Abdominal CT — axial view — 768x768 px
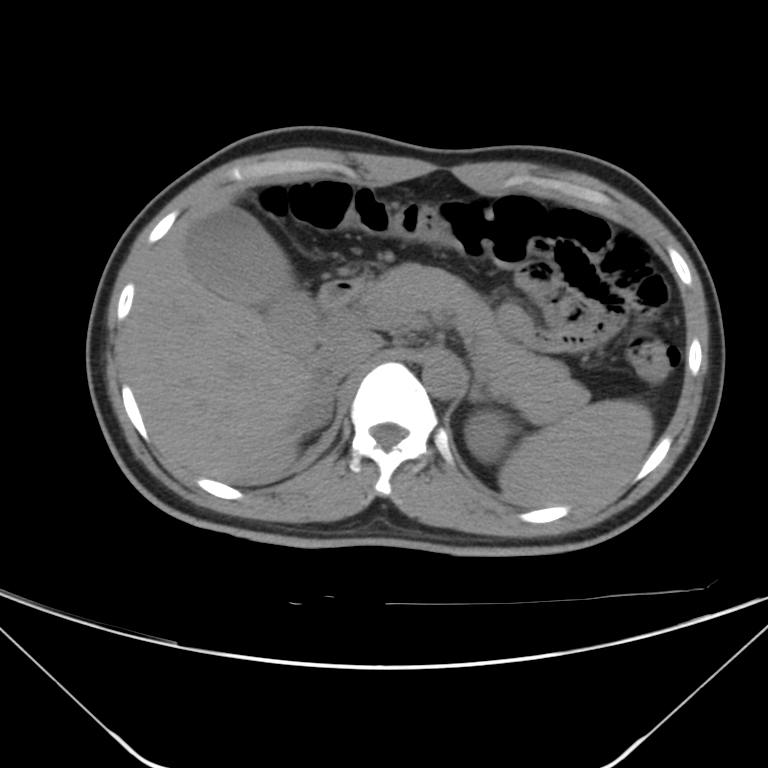

Box edges are left/top/right/bottom in pixels. Labeled organs on this slice: liver at left=122, top=190, right=329, bottom=484, duodenum at left=317, top=277, right=372, bottom=321, right adrenal gland at left=299, top=382, right=337, bottom=434, aorta at left=423, top=355, right=463, bottom=398, left adrenal gland at left=469, top=377, right=488, bottom=401, spleen at left=498, top=399, right=653, bottom=507, pancreas at left=363, top=264, right=586, bottom=419, gall bladder at left=185, top=205, right=317, bottom=354, inferior vena cava at left=321, top=329, right=381, bottom=383, left kidney at left=465, top=412, right=512, bottom=463.